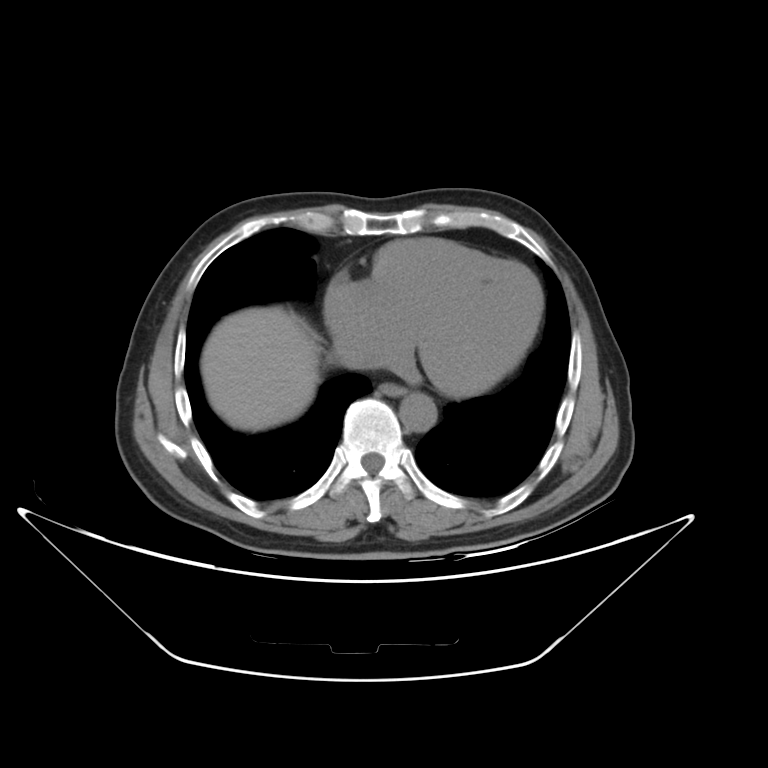
Computed tomography, abdomen. Axial slice 95/101
Bounding boxes as [x1, y1, x2, y2] in pixel coordinates. Labeled organs on this slice: liver at [199, 274, 541, 432], aorta at [398, 393, 436, 430], esophagus at [377, 381, 405, 395].